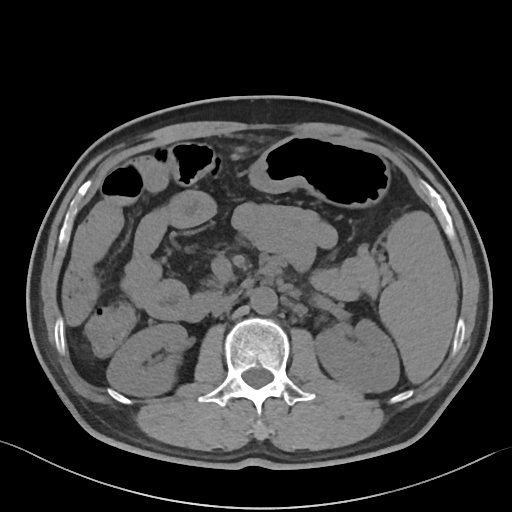
CT, abdomen/pelvis. axial view. 512x512 px
Bounding boxes as [x1, y1, x2, y2] in pixel coordinates.
spleen: [379, 211, 456, 382]
right kidney: [107, 324, 187, 395]
left kidney: [315, 319, 399, 392]
stomach: [249, 136, 389, 207]
aorta: [250, 287, 277, 314]
inferior vena cava: [211, 294, 237, 315]
pancreas: [312, 246, 382, 300]
duodenum: [181, 260, 280, 322]